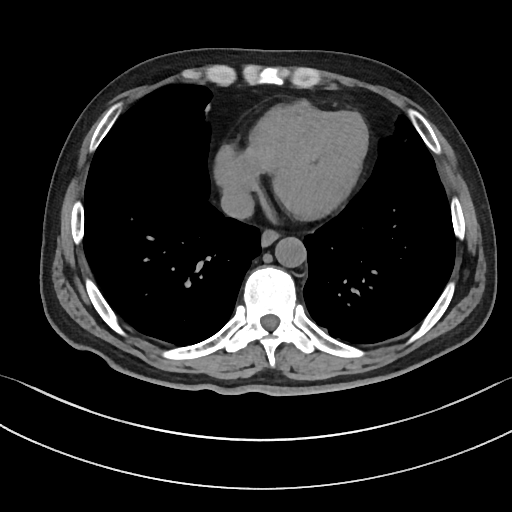

Lower-chest slice from an abdominal CT, just above the liver and spleen. Axial slice 219/231. 512x512 px. acquired on SOMATOM Force
No part of the heart or lungs is labeled in this dataset, so neither has a box here.
Coordinates as <box>x1,y1,x2,y2</box> in pixels.
esophagus: <box>260,231,278,247</box>
inferior vena cava: <box>220,188,253,218</box>
aorta: <box>275,237,306,268</box>